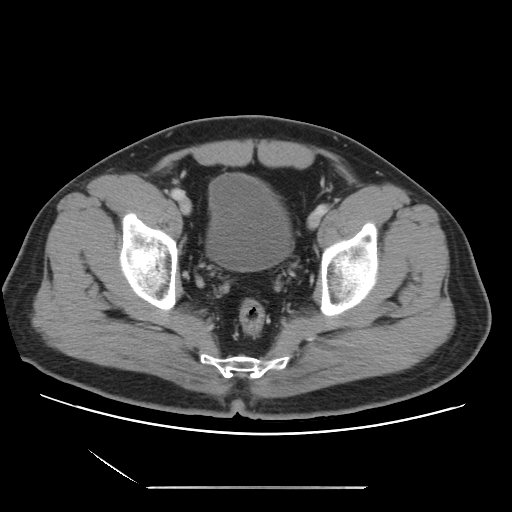 CT, abdomen/pelvis · axial view · 512x512 px
Box edges are left/top/right/bottom in pixels.
Organ bounding boxes:
- bladder: left=206, top=173, right=291, bottom=271